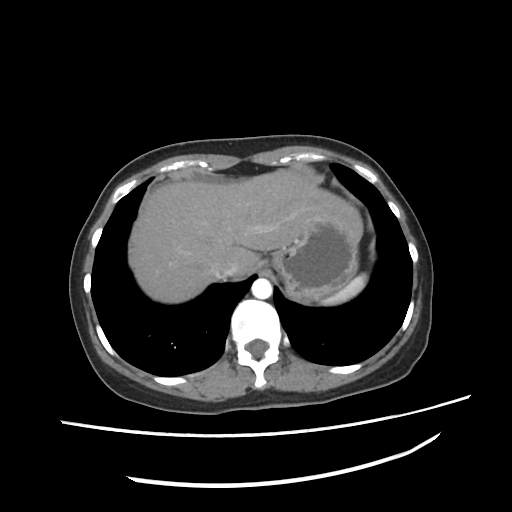 CT, abdomen/pelvis — axial view — abdomen soft-tissue window
Bounding boxes in pixels, one row per box: x1, y1 is the top-left corner and x2, y2 the bottom-right.
| organ | x1 | y1 | x2 | y2 |
|---|---|---|---|---|
| spleen | 320 | 272 | 367 | 306 |
| liver | 130 | 172 | 363 | 302 |
| stomach | 272 | 223 | 357 | 302 |
| aorta | 251 | 278 | 271 | 299 |
| inferior vena cava | 212 | 257 | 236 | 277 |